Computed tomography, abdomen; axial plane, index 17; abdomen soft-tissue window; 768x768 px; 40-year-old male patient
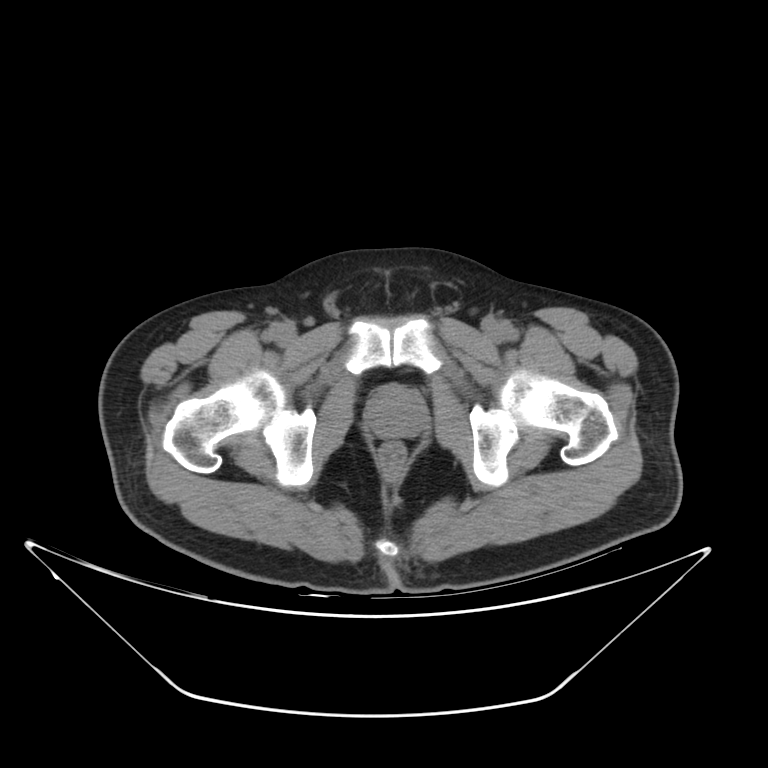 {"organs":{"prostate/uterus":[366,387,426,437]}}